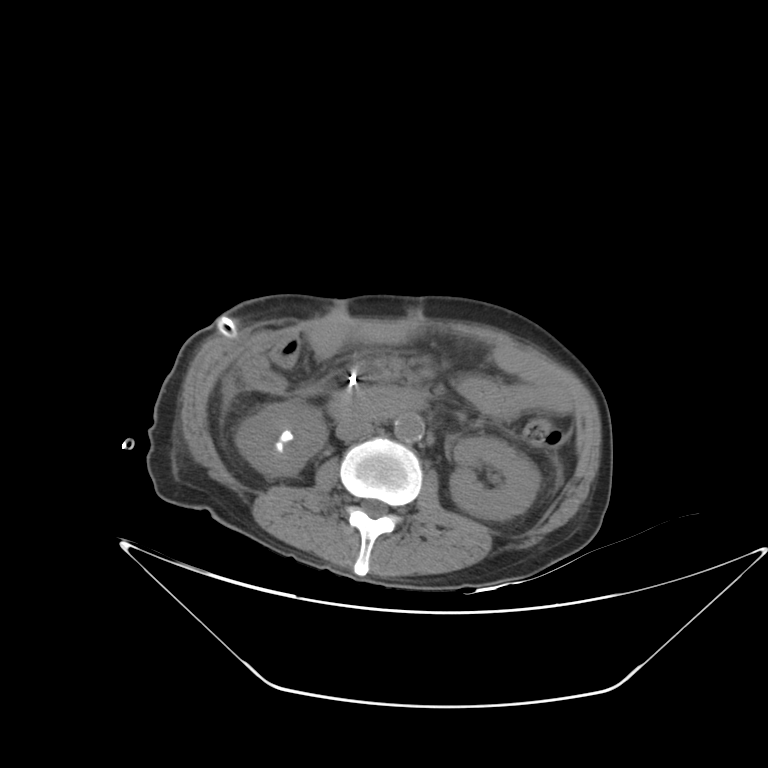
CT, abdomen/pelvis · axial plane, index 56 · W/L 400/40 HU · 768x768 px · 56-year-old male patient · Brilliance16 scanner · scan has 14 labeled organs (counted over the whole 3D scan, not this slice; an organ is boxed only where this slice passes through it)
Each box given as x1,y1,x2,y2. Labeled organs on this slice: left kidney at x1=449, y1=436, x2=539, y2=520, right kidney at x1=236, y1=400, x2=326, y2=476, aorta at x1=394, y1=412, x2=424, y2=442, duodenum at x1=329, y1=389, x2=416, y2=421, inferior vena cava at x1=336, y1=418, x2=373, y2=441.